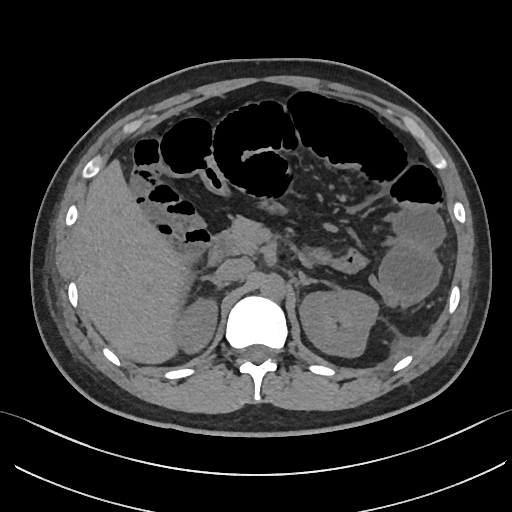

Computed tomography, abdomen — Axial slice 167/234
Bounding boxes as [x1, y1, x2, y2] in pixel coordinates.
duodenum: [207, 235, 228, 265]
left adrenal gland: [299, 274, 314, 284]
left kidney: [299, 289, 379, 357]
liver: [74, 161, 189, 362]
pancreas: [222, 218, 259, 254]
right kidney: [175, 300, 218, 354]
aorta: [260, 272, 285, 299]
inferior vena cava: [214, 258, 253, 281]
right adrenal gland: [204, 276, 228, 288]